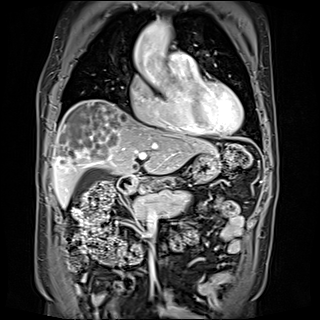 Abdominal MRI; coronal acquisition; 320x320 px; Prisma scanner; 13 organs annotated in this scan (counted over the whole 3D scan, not this slice; an organ is boxed only where this slice passes through it)
Bounding boxes in pixels, one row per box: x1, y1 is the top-left corner and x2, y2 the bottom-right.
| organ | x1 | y1 | x2 | y2 |
|---|---|---|---|---|
| gall bladder | 73 | 168 | 111 | 197 |
| liver | 53 | 99 | 216 | 207 |
| stomach | 136 | 153 | 220 | 185 |
| aorta | 133 | 22 | 170 | 55 |
| pancreas | 132 | 189 | 190 | 221 |
| duodenum | 117 | 176 | 138 | 194 |